Abdominal CT. axial view. soft-tissue window (W 400 / L 40). 40-year-old male patient
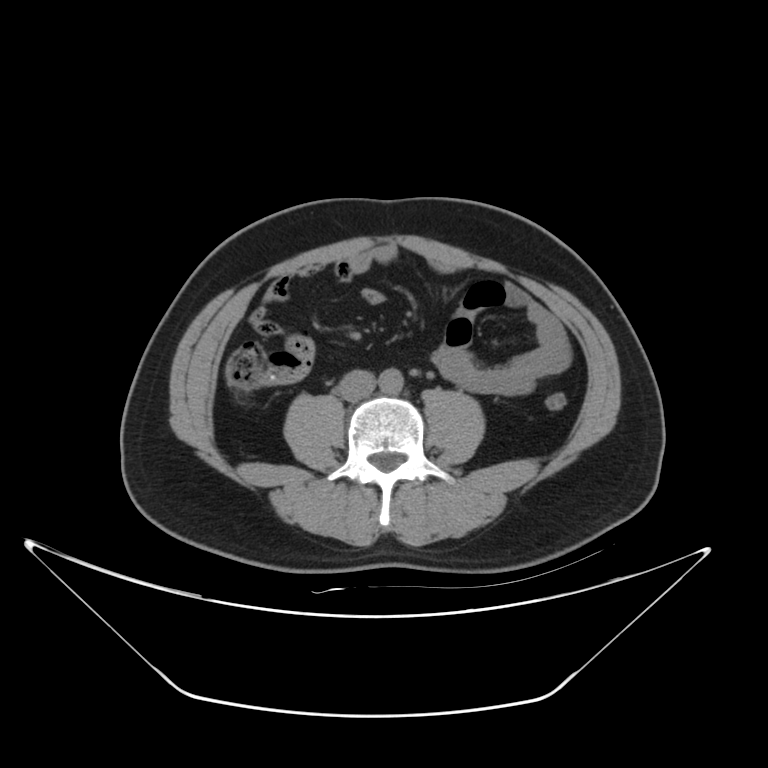

Boxes: x1:y1:x2:y2 in pixels. The annotated organs in this slice are: aorta at 379:369:404:393, inferior vena cava at 338:370:375:401.